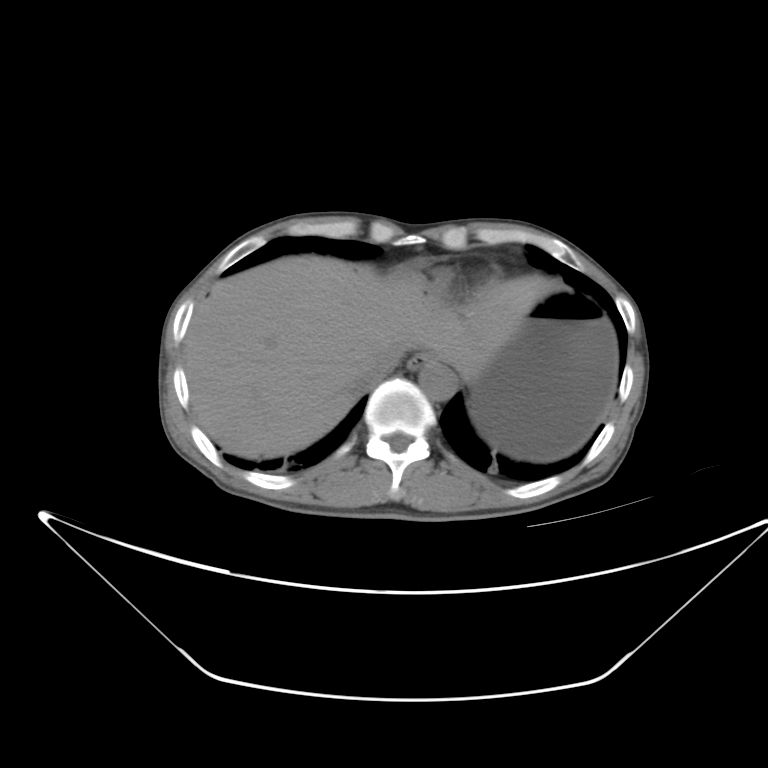 CT abdomen · axial plane, index 78 · Brilliance16 scanner · scan has 15 labeled organs (counted over the whole 3D scan, not this slice; an organ is boxed only where this slice passes through it)
<organs><organ name="esophagus" x1="407" y1="353" x2="431" y2="371"/><organ name="liver" x1="185" y1="255" x2="560" y2="458"/><organ name="stomach" x1="463" y1="289" x2="619" y2="461"/><organ name="aorta" x1="418" y1="358" x2="456" y2="400"/><organ name="inferior vena cava" x1="352" y1="361" x2="391" y2="397"/></organs>